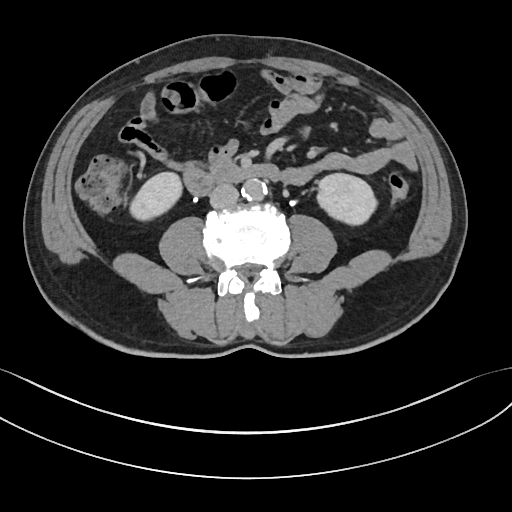
CT, abdomen/pelvis. axial view. 512x512 px. 15 organs annotated in this scan (that count is for the whole scan; organs this slice misses have no box)
Boxes: x1 y1 x2 y2 (pixel coords, space-separated).
Organ bounding boxes:
- right kidney: 128 173 181 218
- left kidney: 318 174 375 224
- aorta: 241 178 265 200
- inferior vena cava: 209 184 239 208
- duodenum: 183 162 278 195